CT, abdomen/pelvis · axial view · abdomen soft-tissue window · 768x768 px · 56-year-old female patient · Brilliance16 scanner
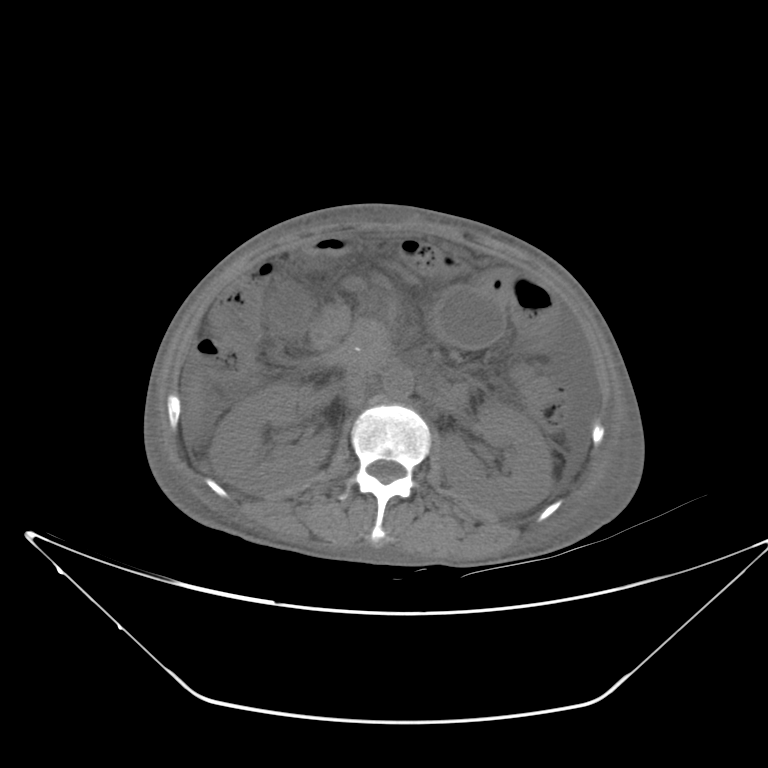

<organs><organ name="right kidney" x1="209" y1="383" x2="333" y2="492"/><organ name="left kidney" x1="440" y1="402" x2="553" y2="514"/><organ name="gall bladder" x1="275" y1="290" x2="310" y2="323"/><organ name="liver" x1="185" y1="383" x2="203" y2="420"/><organ name="stomach" x1="430" y1="287" x2="506" y2="348"/><organ name="aorta" x1="383" y1="366" x2="413" y2="398"/><organ name="inferior vena cava" x1="344" y1="363" x2="373" y2="405"/><organ name="pancreas" x1="340" y1="317" x2="392" y2="366"/><organ name="duodenum" x1="311" y1="303" x2="352" y2="346"/></organs>